Abdominal CT; this slice is in the lower chest, just above the liver. axial view. 512x512 px. 61-year-old male patient
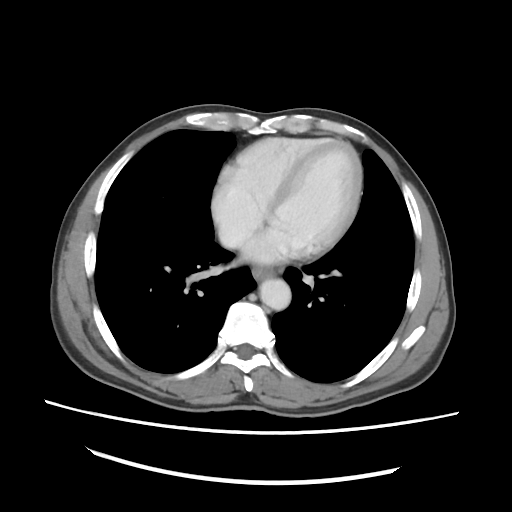

No part of the heart or lungs is labeled in this dataset, so neither has a box here.
One row per box, in pixels: columns x1 and y1 give the top-left corner, x2 and y2 the bottom-right.
| organ | x1 | y1 | x2 | y2 |
|---|---|---|---|---|
| esophagus | 252 | 267 | 274 | 280 |
| aorta | 259 | 278 | 291 | 310 |